CT, abdomen/pelvis — axial view — 15 organs annotated in this scan (that count is for the whole scan; organs this slice misses have no box)
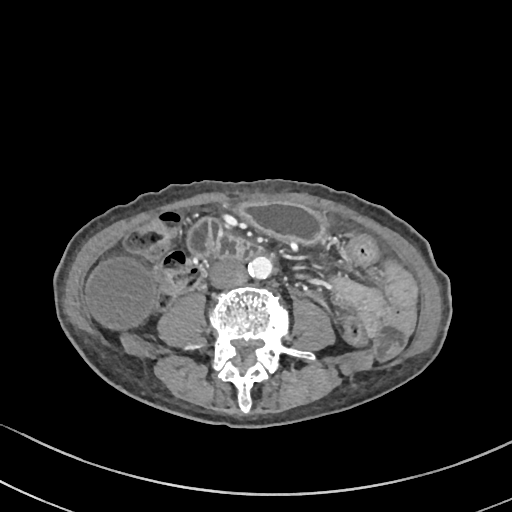

Boxes are (x1, y1, x2, y2) in pixels.
aorta: (248, 255, 272, 278)
stomach: (236, 201, 323, 242)
duodenum: (189, 218, 261, 259)
gall bladder: (85, 258, 154, 328)
inferior vena cava: (210, 261, 248, 287)